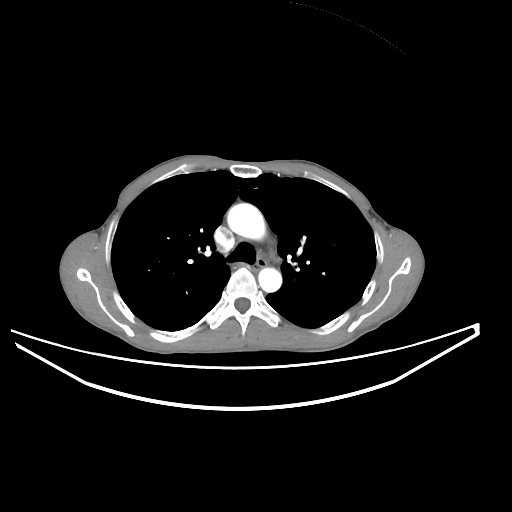 Chest-level slice from an abdominal CT that extends up into the chest · axial view · soft-tissue window, W/L 400/40 · 60-year-old male patient
At this level of the chest this dataset labels only the esophagus and the aorta, and each is boxed only where it is labeled; the heart and lungs are never labeled. Boxes: x1:y1:x2:y2 in pixels. The annotated organs in this slice are: aorta at 227:203:265:240, aorta at 258:267:282:292, esophagus at 252:259:266:271.